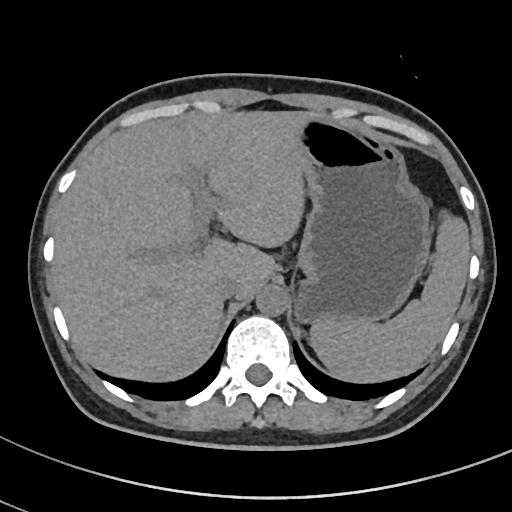
Computed tomography, abdomen — axial view
One row per box, in pixels: columns x1 and y1 give the top-left corner, x2 and y2 the bottom-right.
| organ | x1 | y1 | x2 | y2 |
|---|---|---|---|---|
| spleen | 310 | 218 | 469 | 380 |
| liver | 53 | 111 | 317 | 379 |
| stomach | 296 | 119 | 431 | 324 |
| aorta | 256 | 285 | 288 | 316 |
| inferior vena cava | 213 | 274 | 242 | 299 |